CT abdomen; axial view; abdomen soft-tissue window; scan has 14 labeled organs (that count is for the whole scan; organs this slice misses have no box)
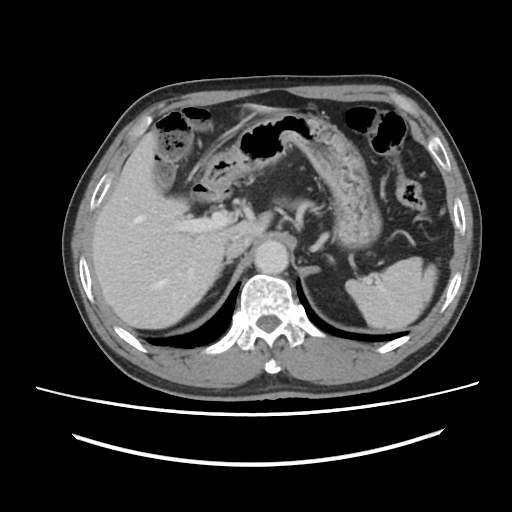 Boxes are (x1, y1, x2, y2) in pixels.
left adrenal gland: (328, 256, 334, 264)
spleen: (345, 256, 437, 330)
aorta: (254, 240, 288, 274)
inferior vena cava: (224, 233, 252, 258)
duodenum: (191, 183, 232, 201)
liver: (92, 104, 276, 329)
right adrenal gland: (218, 259, 233, 276)
stomach: (198, 112, 381, 249)